Abdominal CT. Axial slice 113/284. soft-tissue window (W 400 / L 40)
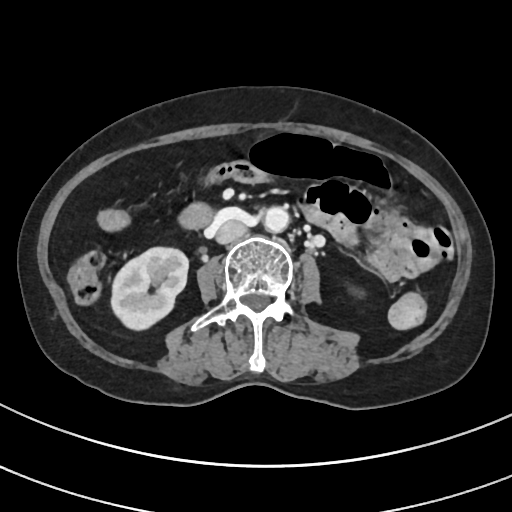

Boxes: x1:y1:x2:y2 in pixels.
right kidney: 110:247:188:331
aorta: 262:207:288:232
inferior vena cava: 214:220:246:244
duodenum: 179:204:213:229